CT abdomen; axial view; abdomen soft-tissue window; 768x768 px; 39-year-old female patient
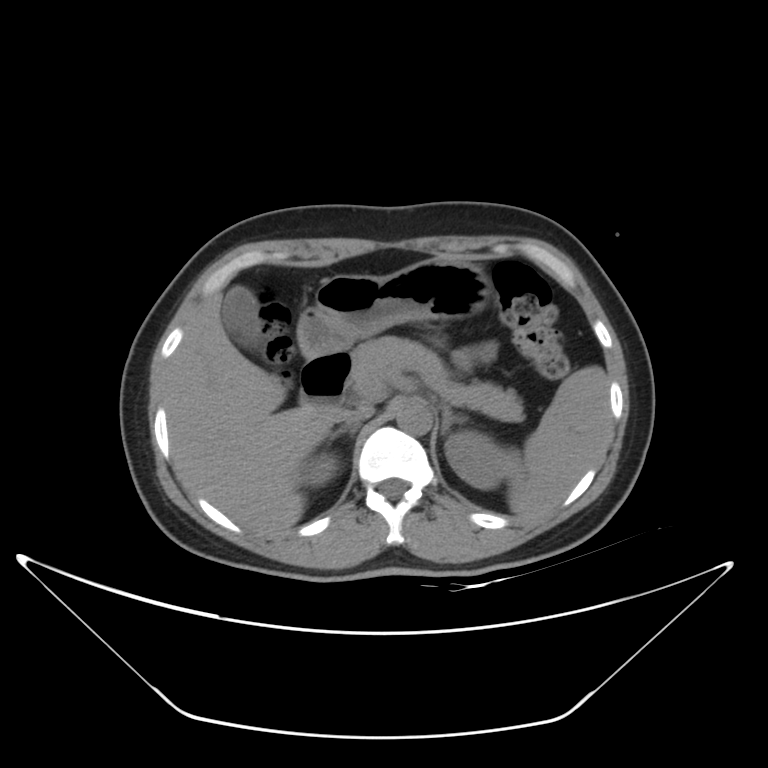 Boxes: x1 y1 x2 y2 (pixel coords, space-separated).
pancreas: 349 336 524 421
right kidney: 299 452 337 486
duodenum: 299 350 351 407
gall bladder: 222 286 259 339
right adrenal gland: 328 427 357 443
spleen: 505 365 610 516
left kidney: 444 431 505 489
stomach: 297 258 492 357
inferior vena cava: 338 404 374 426
liver: 164 293 341 537
left adrenal gland: 440 405 468 435
aorta: 396 400 431 435